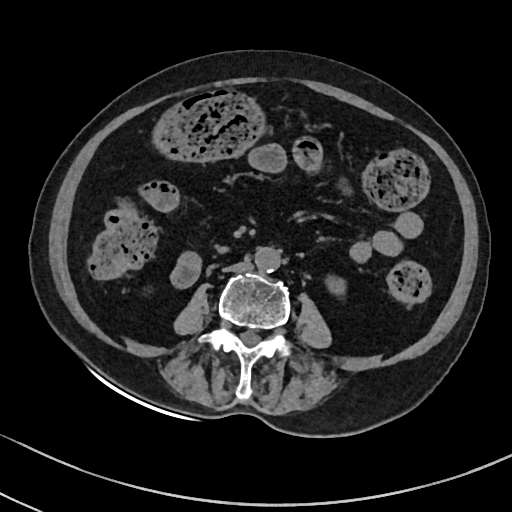 Computed tomography, abdomen · axial view · SOMATOM Force scanner · 15 organs annotated in this scan (that count is for the whole scan; organs this slice misses have no box)
One row per box, in pixels: columns x1 and y1 give the top-left corner, x2 and y2 the bottom-right.
| organ | x1 | y1 | x2 | y2 |
|---|---|---|---|---|
| left kidney | 326 | 275 | 346 | 296 |
| aorta | 255 | 246 | 280 | 272 |
| inferior vena cava | 223 | 261 | 251 | 272 |